CT, abdomen/pelvis · axial view · 512x512 px · 15 organs annotated in this scan (counted over the whole 3D scan, not this slice; an organ is boxed only where this slice passes through it)
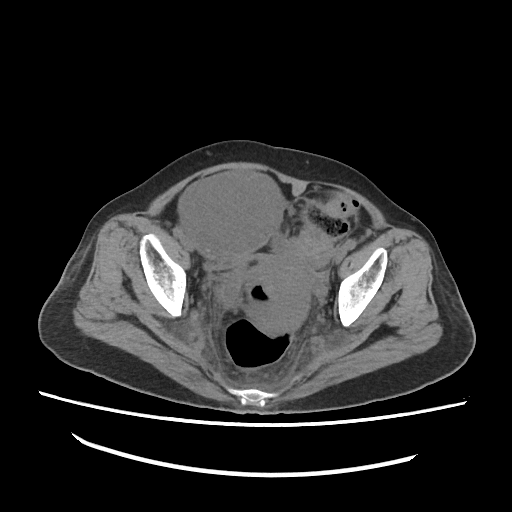

Boxes are (x1, y1, x2, y2) in pixels.
Organ bounding boxes:
- prostate/uterus: (263, 285, 310, 336)